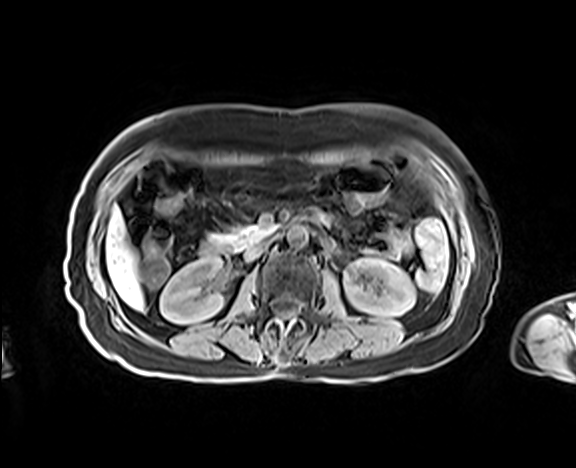
Magnetic resonance imaging, abdomen; axial view; percentile-normalized; 576x468 px; Prisma scanner
<organs><organ name="duodenum" x1="200" y1="207" x2="319" y2="258"/><organ name="liver" x1="106" y1="208" x2="144" y2="310"/><organ name="aorta" x1="287" y1="225" x2="308" y2="247"/><organ name="right kidney" x1="160" y1="259" x2="224" y2="323"/><organ name="inferior vena cava" x1="244" y1="240" x2="271" y2="261"/><organ name="pancreas" x1="208" y1="225" x2="274" y2="249"/><organ name="left kidney" x1="344" y1="259" x2="415" y2="316"/></organs>